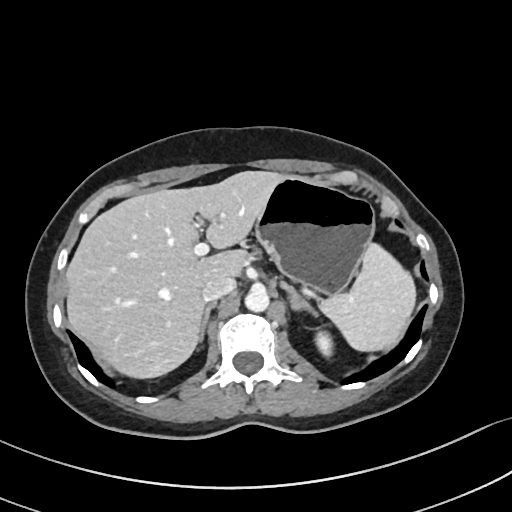 Computed tomography, abdomen; axial view; 512x512 px; SOMATOM Force scanner
{"organs":{"spleen":[318,243,415,349],"left kidney":[316,332,332,356],"liver":[66,171,287,377],"stomach":[255,176,374,295],"aorta":[245,287,270,312],"inferior vena cava":[200,275,235,300],"right adrenal gland":[200,302,215,337],"left adrenal gland":[280,281,316,316]}}